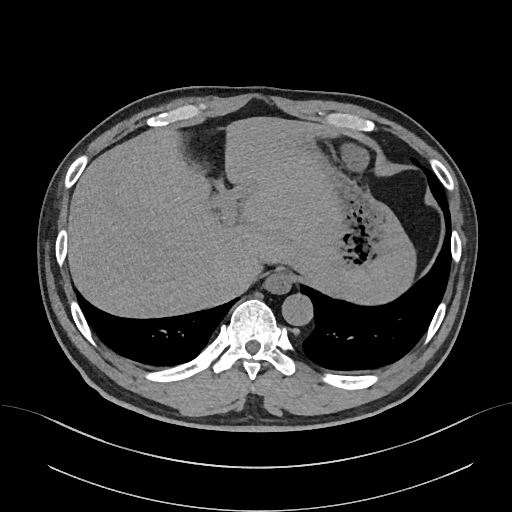
CT, abdomen/pelvis · axial view · abdomen soft-tissue window · 512x512 px
Boxes: x1:y1:x2:y2 in pixels.
Organ bounding boxes:
- esophagus: 264:271:292:293
- liver: 68:117:415:317
- stomach: 295:136:387:270
- aorta: 281:293:312:325
- inferior vena cava: 232:268:256:293